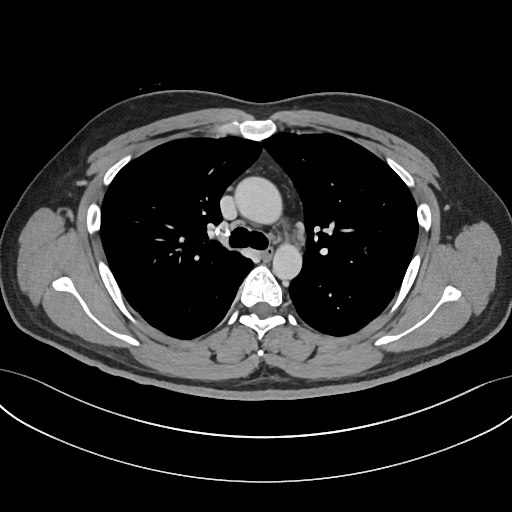 Chest-level slice from an abdominal CT that extends up into the chest; axial plane, index 294; acquired on SOMATOM Force
On a slice this high in the chest, this dataset labels only the esophagus and the aorta, and each is boxed only where it is labeled; the heart, lungs and other chest structures are not labeled.
Bounding boxes in pixels, one row per box: x1, y1 is the top-left corner and x2, y2 the bottom-right.
| organ | x1 | y1 | x2 | y2 |
|---|---|---|---|---|
| aorta | 233 | 175 | 281 | 222 |
| aorta | 272 | 246 | 302 | 279 |
| esophagus | 262 | 248 | 273 | 260 |